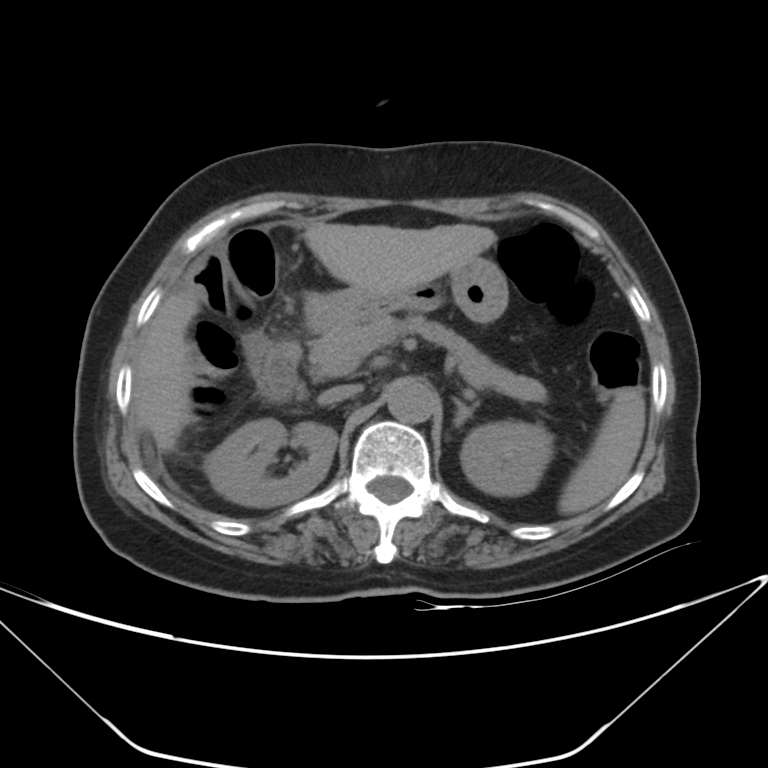

CT, abdomen/pelvis · axial view · 14 organs annotated in this scan (a whole-scan count: organs this slice does not pass through have no box)
<organs><organ name="stomach" x1="305" y1="257" x2="508" y2="328"/><organ name="spleen" x1="559" y1="387" x2="645" y2="514"/><organ name="right kidney" x1="204" y1="418" x2="337" y2="506"/><organ name="inferior vena cava" x1="318" y1="384" x2="360" y2="404"/><organ name="liver" x1="134" y1="222" x2="496" y2="451"/><organ name="aorta" x1="386" y1="378" x2="435" y2="423"/><organ name="left kidney" x1="460" y1="422" x2="553" y2="496"/><organ name="left adrenal gland" x1="453" y1="398" x2="478" y2="427"/><organ name="duodenum" x1="259" y1="340" x2="301" y2="402"/><organ name="pancreas" x1="308" y1="314" x2="546" y2="401"/></organs>